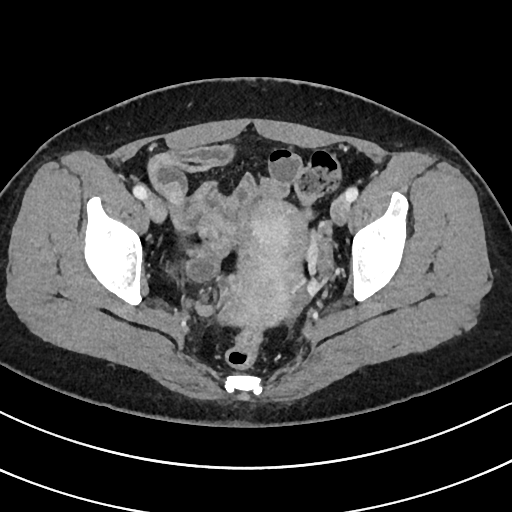

Computed tomography, abdomen · axial view · 512x512 px · acquired on SOMATOM Force
Boxes: x1 y1 x2 y2 (pixel coords, space-separated). The annotated organs in this slice are: prostate/uterus at 222 199 307 329.